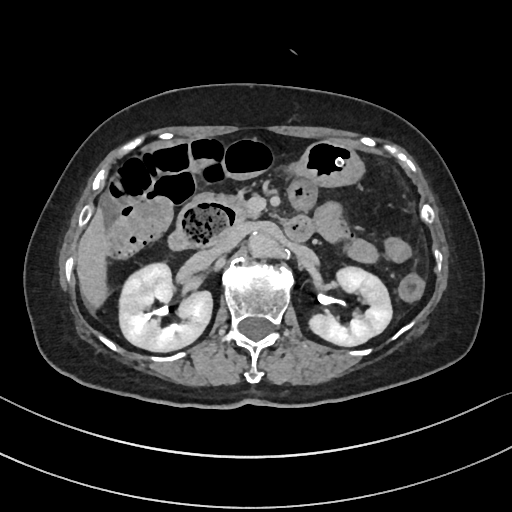

CT abdomen; axial view
Boxes: x1:y1:x2:y2 in pixels. 8 labeled organs on this slice — right kidney at 118:261:211:351; left kidney at 310:266:391:346; liver at 77:212:105:304; stomach at 297:140:362:185; aorta at 250:234:281:259; inferior vena cava at 212:227:245:254; pancreas at 192:192:253:222; duodenum at 169:199:312:250.